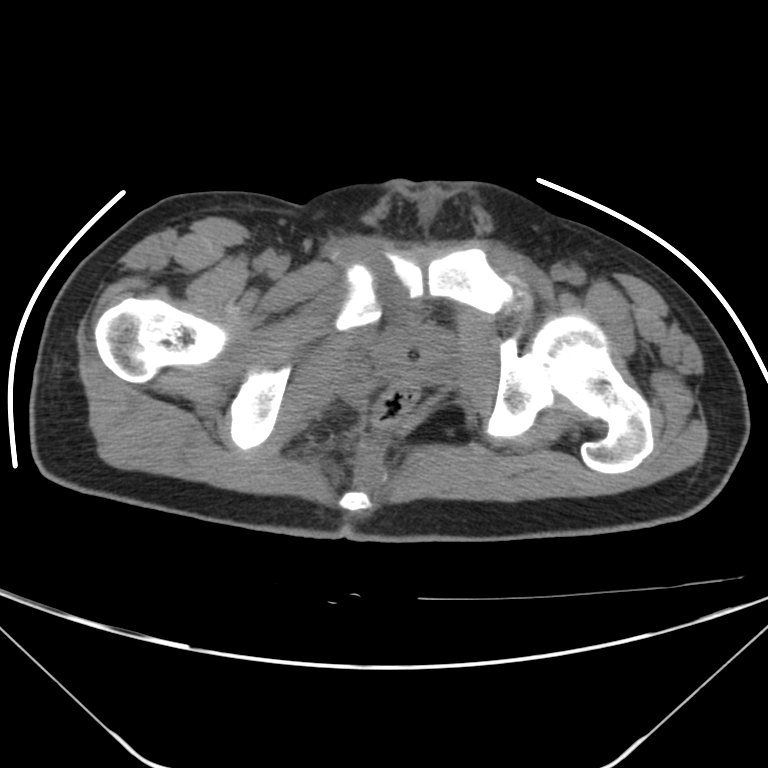

Abdominal CT · axial view · 24-year-old male patient
<organs><organ name="prostate/uterus" x1="376" y1="329" x2="455" y2="379"/></organs>